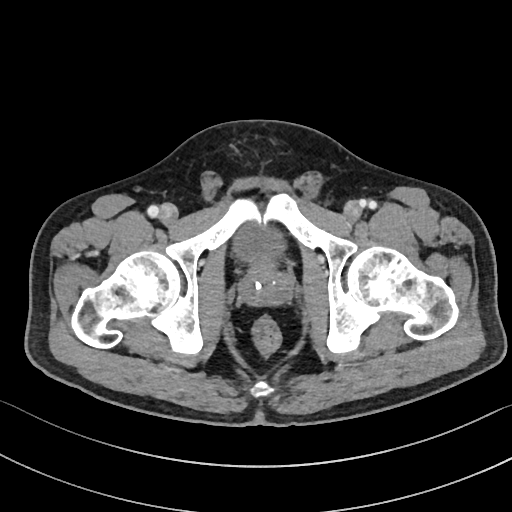 CT, abdomen/pelvis — axial view — soft-tissue window — 512x512 px
Boxes are (x1, y1, x2, y2) in pixels. The annotated organs in this slice are: bladder at (232, 221, 285, 263), prostate/uterus at (240, 264, 290, 304).